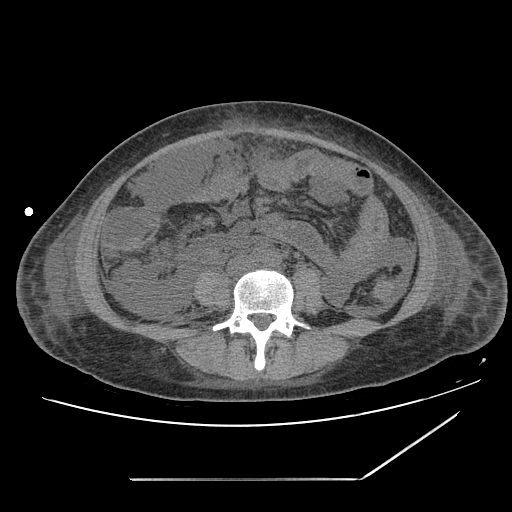

Computed tomography, abdomen. axial plane, index 78
Organ boxes in pixel coordinates; each row gives the top-left (x1, y1) and bottom-right (x2, y2) corners.
| organ | x1 | y1 | x2 | y2 |
|---|---|---|---|---|
| aorta | 251 | 248 | 280 | 266 |
| inferior vena cava | 227 | 256 | 254 | 276 |